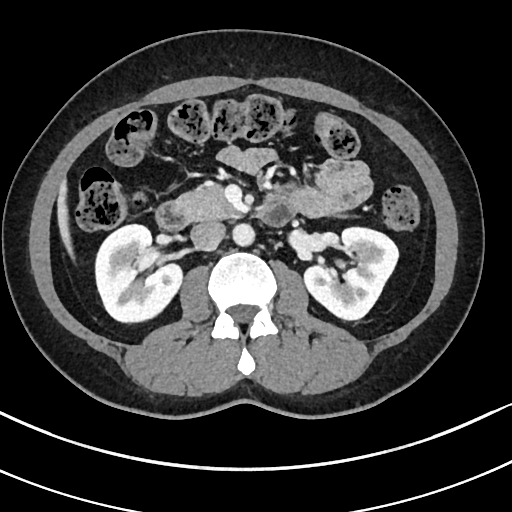 CT, abdomen/pelvis — axial plane, index 130
<organs><organ name="right kidney" x1="94" y1="224" x2="180" y2="320"/><organ name="left kidney" x1="304" y1="226" x2="398" y2="321"/><organ name="liver" x1="57" y1="178" x2="73" y2="256"/><organ name="aorta" x1="232" y1="222" x2="254" y2="245"/><organ name="inferior vena cava" x1="191" y1="221" x2="225" y2="250"/><organ name="pancreas" x1="177" y1="186" x2="238" y2="218"/><organ name="duodenum" x1="156" y1="196" x2="294" y2="230"/></organs>